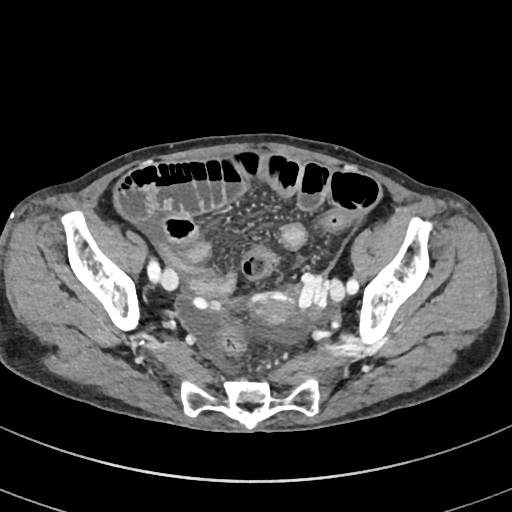

CT, abdomen/pelvis · axial view · soft-tissue window · scan has 14 labeled organs (a whole-scan count: organs this slice does not pass through have no box)
Bounding boxes in pixels, one row per box: x1, y1 is the top-left corner and x2, y2 the bottom-right.
| organ | x1 | y1 | x2 | y2 |
|---|---|---|---|---|
| prostate/uterus | 251 | 294 | 293 | 324 |